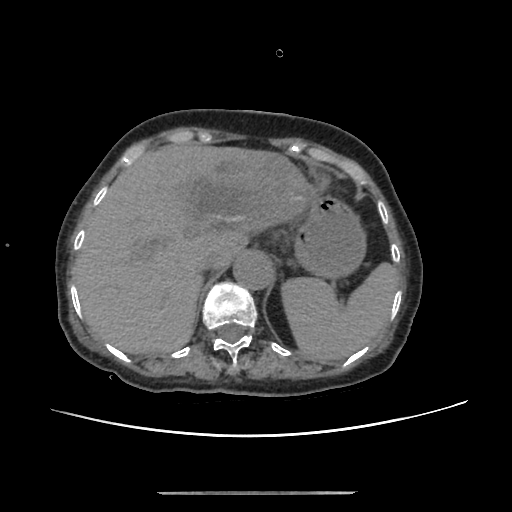

Abdominal CT; Axial slice 280/353; W/L 400/40 HU; 512x512 px; acquired on SOMATOM Force
Boxes: x1:y1:x2:y2 in pixels.
spleen: 282:263:400:362
liver: 73:144:316:353
stomach: 294:195:365:278
aorta: 233:253:273:289
inferior vena cava: 197:252:219:273